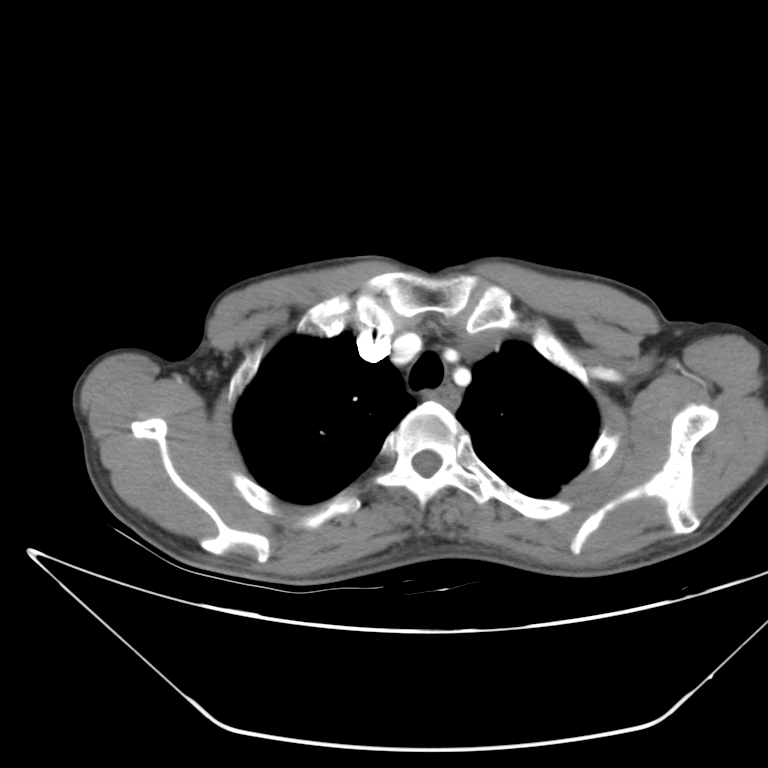 Chest-level CT slice, above the liver and spleen — axial view — W/L 400/40 HU — 768x768 px — 62-year-old male patient
At this level of the chest this dataset labels only the esophagus and the aorta, and each is boxed only where it is labeled; the heart and lungs are never labeled.
Bounding boxes in pixels, one row per box: x1, y1 is the top-left corner and x2, y2 the bottom-right.
| organ | x1 | y1 | x2 | y2 |
|---|---|---|---|---|
| esophagus | 425 | 378 | 460 | 409 |